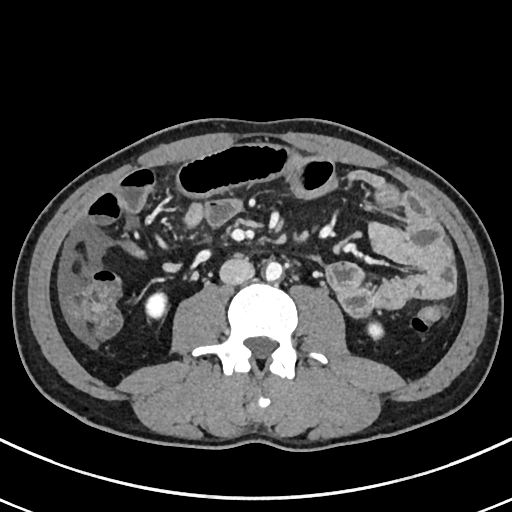 CT, abdomen/pelvis; axial plane, index 110; abdomen soft-tissue window; 15 organs annotated in this scan (counted over the whole 3D scan, not this slice; an organ is boxed only where this slice passes through it)
Bounding boxes as [x1, y1, x2, y2] in pixel coordinates.
right kidney: [146, 291, 168, 318]
left kidney: [367, 321, 384, 340]
aorta: [265, 262, 283, 281]
inferior vena cava: [219, 258, 254, 285]